CT, abdomen/pelvis; axial view; 512x512 px; SOMATOM Force scanner
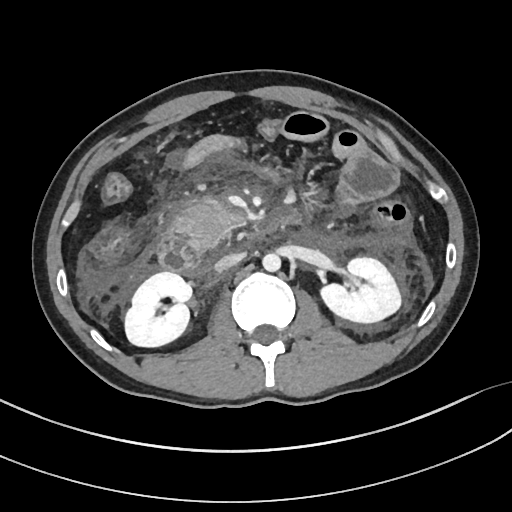

<organs><organ name="right kidney" x1="124" y1="271" x2="191" y2="347"/><organ name="left kidney" x1="320" y1="257" x2="401" y2="323"/><organ name="aorta" x1="262" y1="253" x2="281" y2="271"/><organ name="inferior vena cava" x1="214" y1="252" x2="244" y2="271"/><organ name="pancreas" x1="169" y1="203" x2="243" y2="250"/><organ name="duodenum" x1="158" y1="234" x2="210" y2="277"/></organs>